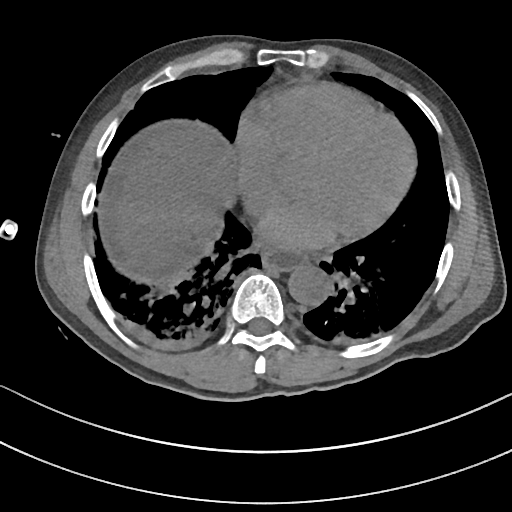
Abdominal CT · axial plane, index 234
{"organs":{"esophagus":[262,247,306,269],"liver":[114,128,238,283],"aorta":[287,264,328,305]}}